CT abdomen. axial view. W/L 400/40 HU
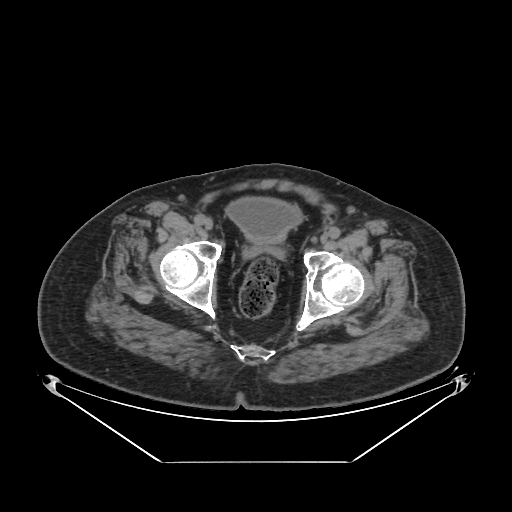 {"organs":{"bladder":[225,196,303,242]}}